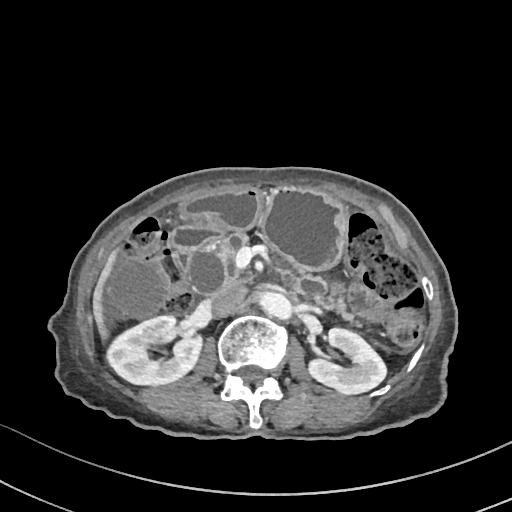 CT abdomen · axial view · abdomen soft-tissue window
{"organs":{"left kidney":[309,328,386,394],"inferior vena cava":[209,286,246,317],"stomach":[183,188,346,270],"aorta":[259,292,291,318],"gall bladder":[108,257,165,316],"liver":[93,254,115,338],"right kidney":[106,316,201,385],"pancreas":[214,231,361,326],"duodenum":[172,227,222,266]}}